CT, abdomen/pelvis · axial plane, index 48 · 24-year-old male patient · Brilliance16 scanner
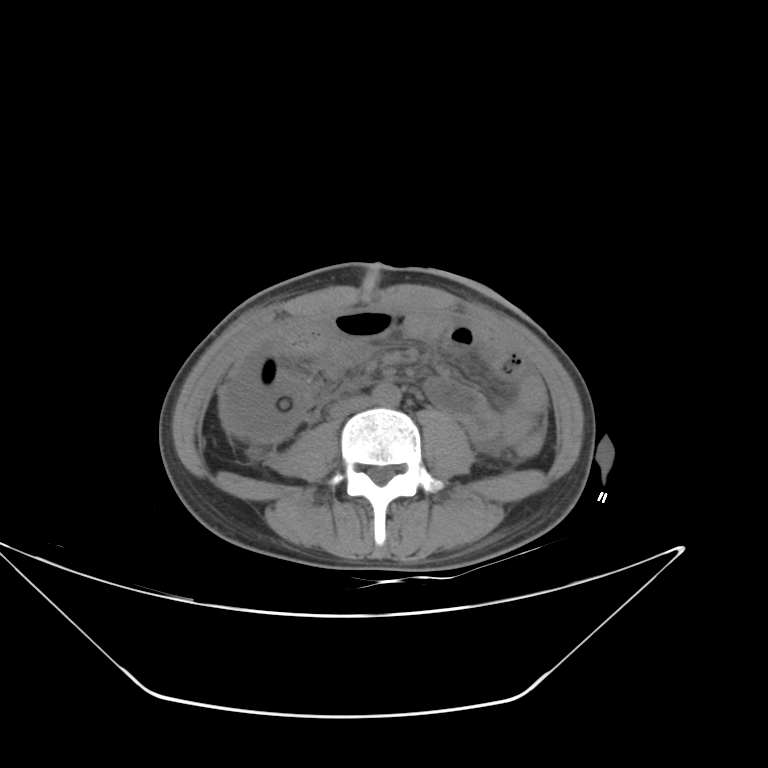 Boxes: x1:y1:x2:y2 in pixels.
aorta: 372:384:400:406
inferior vena cava: 329:396:370:418